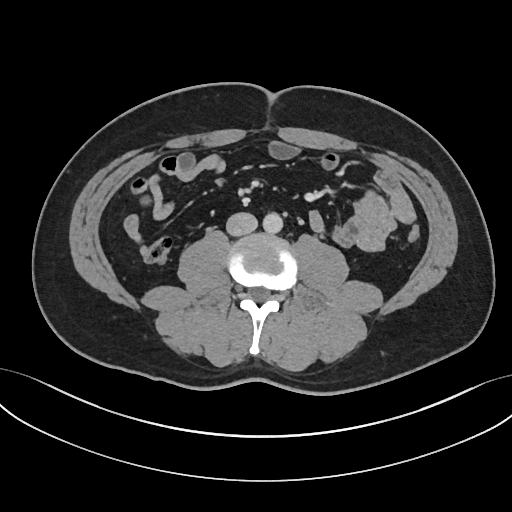
Abdominal CT. Axial slice 134/345. acquired on SOMATOM Force. 15 organs annotated in this scan (a whole-scan count: organs this slice does not pass through have no box)
{"organs":{"aorta":[262,212,282,233],"inferior vena cava":[226,212,257,236]}}